Abdominal CT; this slice is in the lower chest, just above the liver · axial plane, index 97 · soft-tissue window · 768x768 px
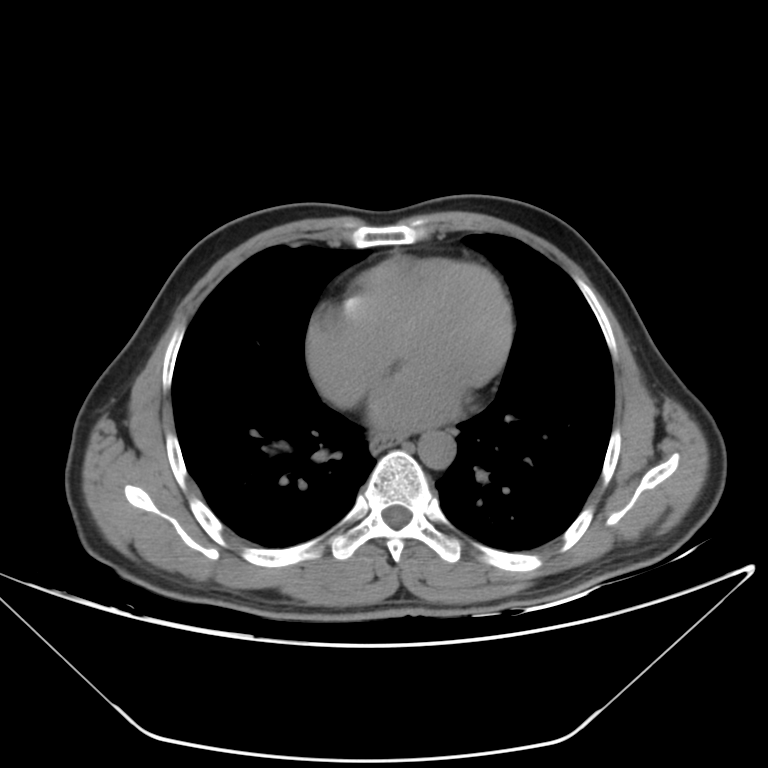 The heart and lungs are never labeled in this dataset, so they have no box on this slice.
Boxes: x1 y1 x2 y2 (pixel coords, space-separated).
esophagus: 370 436 402 450
aorta: 418 431 455 469